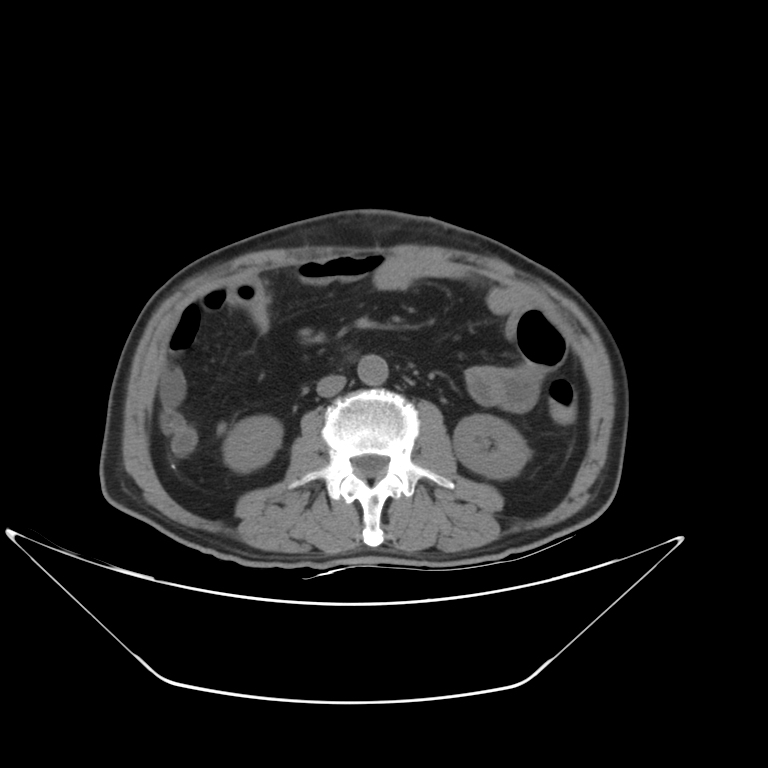
CT, abdomen/pelvis; axial plane, index 56; scan has 15 labeled organs (counted over the whole 3D scan, not this slice; an organ is boxed only where this slice passes through it)
Box edges are left/top/right/bottom in pixels. The annotated organs in this slice are: right kidney at left=223, top=416, right=281, bottom=471, left kidney at left=453, top=413, right=529, bottom=478, aorta at left=357, top=355, right=388, bottom=386, inferior vena cava at left=317, top=375, right=345, bottom=396.